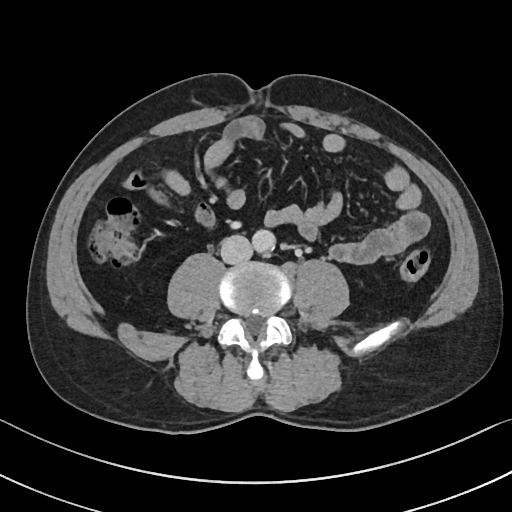 CT abdomen; Axial slice 90/291; 512x512 px; acquired on SOMATOM Force
{"organs":{"aorta":[252,229,275,252],"inferior vena cava":[220,234,253,264]}}